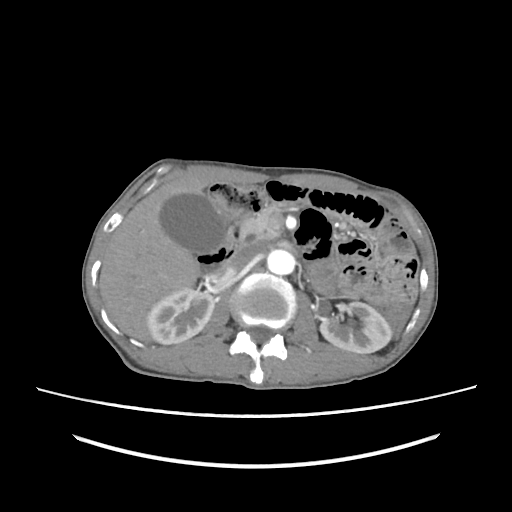

CT, abdomen/pelvis; axial view; 62-year-old male patient
Boxes: x1 y1 x2 y2 (pixel coords, space-separated).
Organ bounding boxes:
- liver: 99 176 210 341
- right kidney: 147 289 214 344
- duodenum: 198 218 249 275
- aorta: 267 249 295 274
- gall bladder: 160 193 225 253
- left kidney: 320 302 391 353
- inferior vena cava: 224 243 263 274
- pancreas: 246 206 281 240